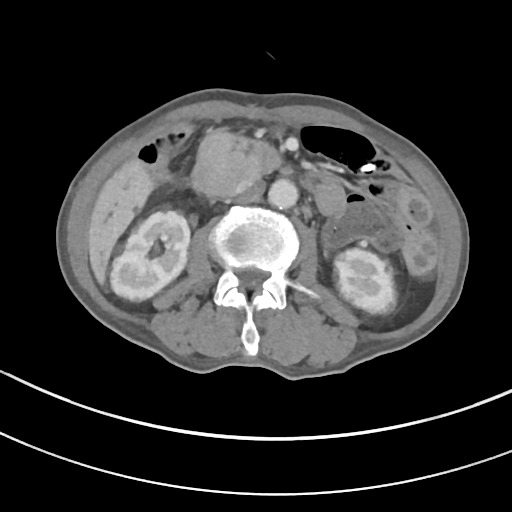
CT abdomen — axial plane, index 47 — W/L 400/40 HU — 15 organs annotated in this scan (that count is for the whole scan; organs this slice misses have no box)
Coordinates as <box>x1,y1,x2,y2</box> in pixels.
aorta: <box>268,178,298,209</box>
right kidney: <box>110,211,189,300</box>
inferior vena cava: <box>235,180,264,203</box>
duodenum: <box>188,131,281,198</box>
liver: <box>88,158,154,283</box>
left kidney: <box>334,248,396,313</box>